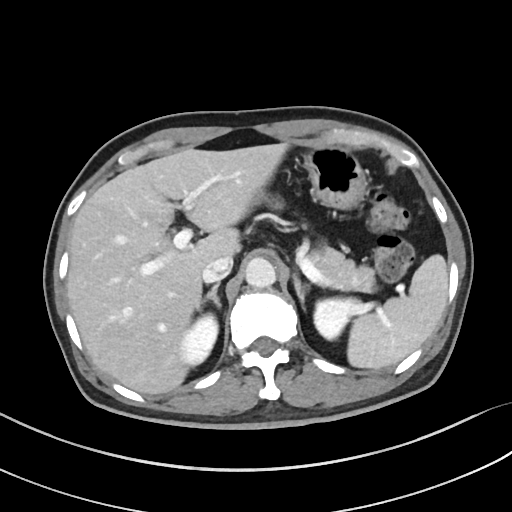
CT, abdomen/pelvis. axial view
Bounding boxes as [x1, y1, x2, y2] in pixel coordinates.
spleen: [347, 254, 448, 369]
left kidney: [314, 298, 359, 339]
right adrenal gland: [201, 283, 221, 308]
stomach: [304, 146, 366, 208]
aorta: [245, 257, 275, 288]
left adrenal gland: [294, 275, 304, 303]
right kidney: [180, 314, 218, 365]
liver: [67, 143, 288, 394]
pancreas: [275, 201, 376, 292]
inferior vena cava: [202, 256, 232, 283]